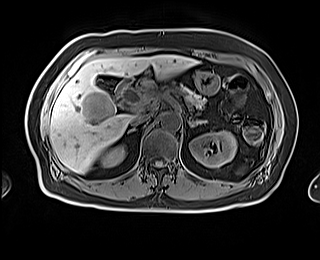 MRI, abdomen. axial view. percentile-normalized. Prisma scanner
{"organs":{"spleen":[238,169,242,173],"right kidney":[101,145,124,167],"left kidney":[189,131,236,167],"gall bladder":[98,80,111,89],"liver":[49,55,198,173],"stomach":[195,71,219,93],"aorta":[160,112,180,130],"inferior vena cava":[131,113,151,125],"pancreas":[180,86,205,108],"right adrenal gland":[127,128,136,134],"left adrenal gland":[190,120,207,126],"duodenum":[114,79,133,99]}}